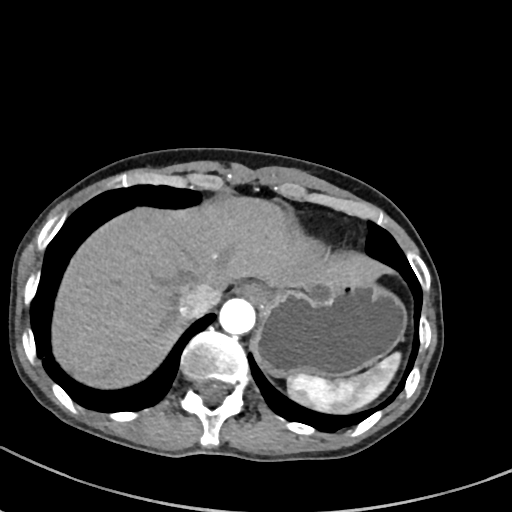
Abdominal CT; axial view; 512x512 px; acquired on SOMATOM Force
<organs><organ name="spleen" x1="287" y1="351" x2="401" y2="414"/><organ name="esophagus" x1="239" y1="282" x2="272" y2="304"/><organ name="liver" x1="52" y1="199" x2="391" y2="390"/><organ name="stomach" x1="252" y1="280" x2="407" y2="378"/><organ name="aorta" x1="219" y1="297" x2="255" y2="333"/><organ name="inferior vena cava" x1="177" y1="283" x2="220" y2="319"/></organs>